Abdominal CT · axial plane, index 80 · soft-tissue window · Aquilion ONE scanner
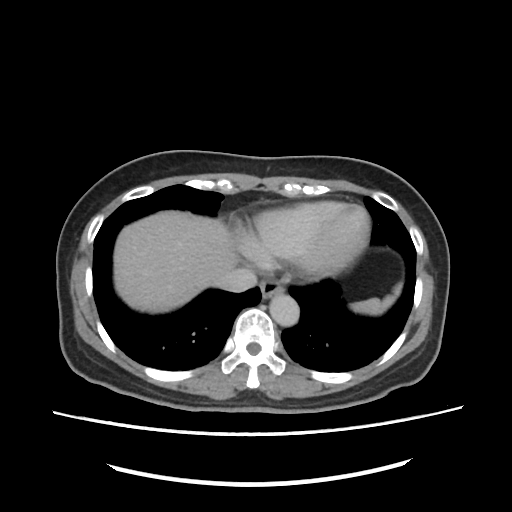

One row per box, in pixels: columns x1 and y1 give the top-left corner, x2 and y2 the bottom-right.
| organ | x1 | y1 | x2 | y2 |
|---|---|---|---|---|
| spleen | 351 | 284 | 402 | 314 |
| esophagus | 260 | 278 | 282 | 299 |
| liver | 113 | 209 | 238 | 312 |
| aorta | 270 | 294 | 300 | 325 |
| inferior vena cava | 214 | 267 | 257 | 291 |